CT abdomen. axial view. soft-tissue window. 43-year-old female patient. 15 organs annotated in this scan (a whole-scan count: organs this slice does not pass through have no box)
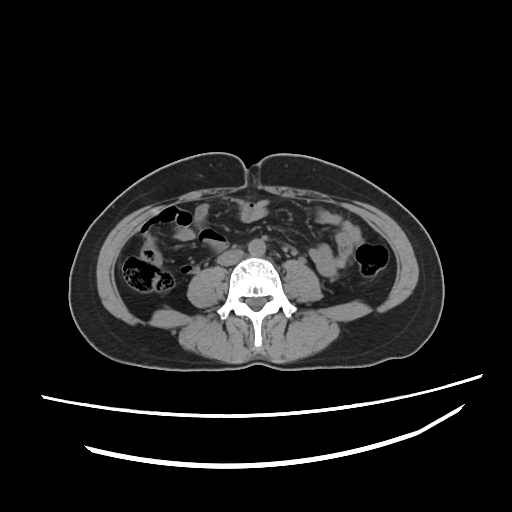

Coordinates as <box>x1,y1,x2,y2</box> in pixels.
Organ bounding boxes:
- aorta: <box>249,238,266,256</box>
- inferior vena cava: <box>218,250,242,266</box>